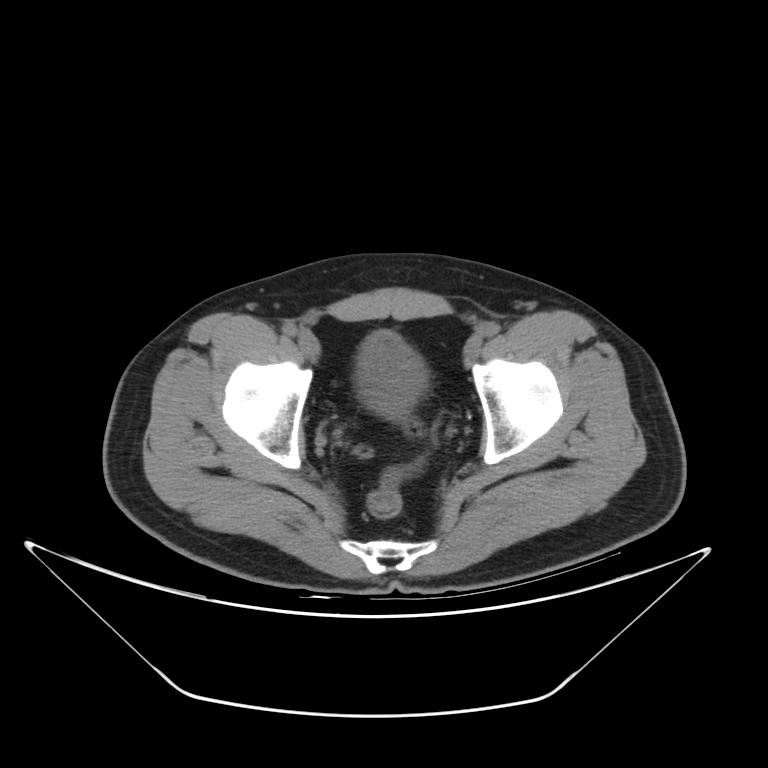
CT abdomen. Axial slice 26/93
{"organs":{"bladder":[354,330,428,418]}}